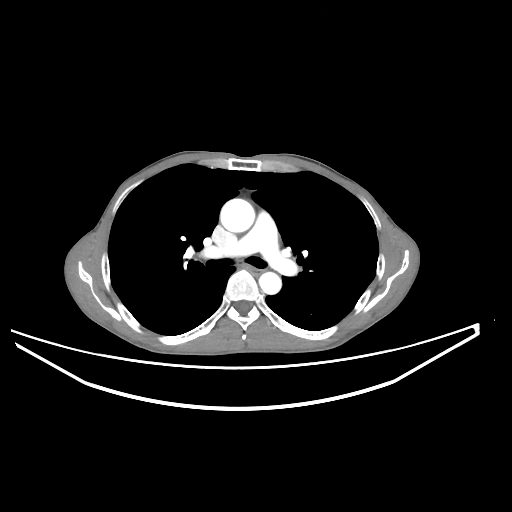

Chest-level CT slice, above the liver and spleen — Axial slice 106/131 — 512x512 px — acquired on Aquilion ONE
At this level of the chest no structure but the esophagus and the aorta has a label in this dataset, and those two are boxed only where they are labeled.
Coordinates as <box>x1,y1,x2,y2</box> in pixels.
esophagus: <box>252,268,263,276</box>
aorta: <box>220,198,254,232</box>
aorta: <box>259,272,281,294</box>